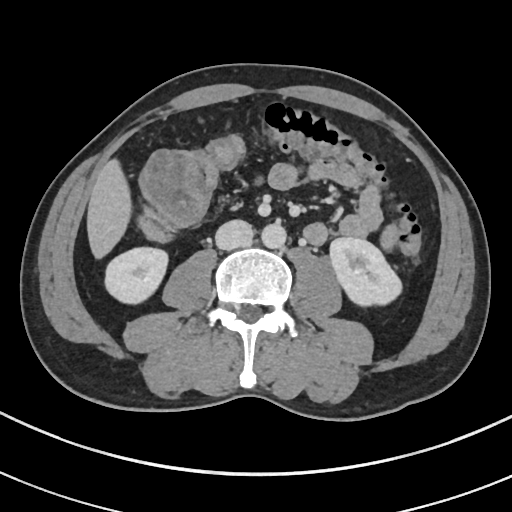
CT, abdomen/pelvis · axial view · 512x512 px · acquired on SOMATOM Force · 15 organs annotated in this scan (a whole-scan count: organs this slice does not pass through have no box)
Boxes: x1 y1 x2 y2 (pixel coords, space-separated).
Organ bounding boxes:
- right kidney: 105 247 167 303
- left kidney: 330 237 401 306
- liver: 87 159 131 258
- aorta: 261 222 286 249
- inferior vena cava: 215 220 253 250